CT abdomen; axial view; soft-tissue window; 512x512 px; Aquilion ONE scanner
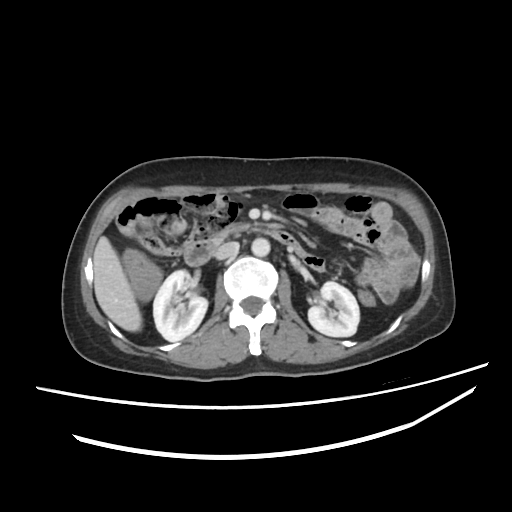
{"organs":{"pancreas":[213,224,247,243],"aorta":[251,238,270,256],"inferior vena cava":[214,241,239,259],"left kidney":[308,281,359,336],"right kidney":[153,270,207,341],"liver":[93,236,141,331],"duodenum":[184,228,305,265]}}